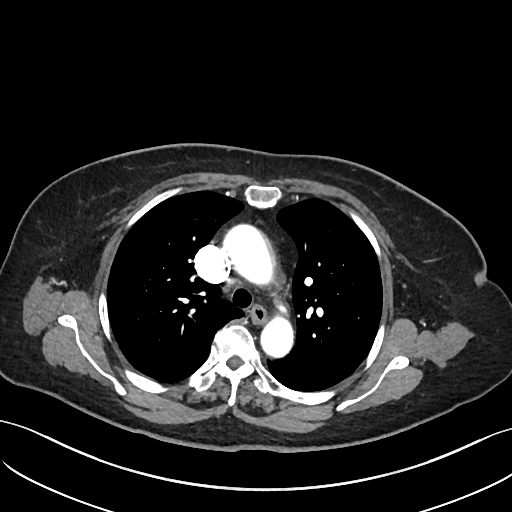
Chest-level CT slice, above the liver and spleen. Axial slice 236/276. 512x512 px. scan has 15 labeled organs (that count is for the whole scan; organs this slice misses have no box)
At this level of the chest no structure but the esophagus and the aorta has a label in this dataset, and those two are boxed only where they are labeled.
<organs><organ name="aorta" x1="222" y1="223" x2="273" y2="283"/><organ name="aorta" x1="260" y1="316" x2="292" y2="358"/><organ name="esophagus" x1="251" y1="306" x2="267" y2="324"/></organs>